Computed tomography, abdomen. axial view. W/L 400/40 HU
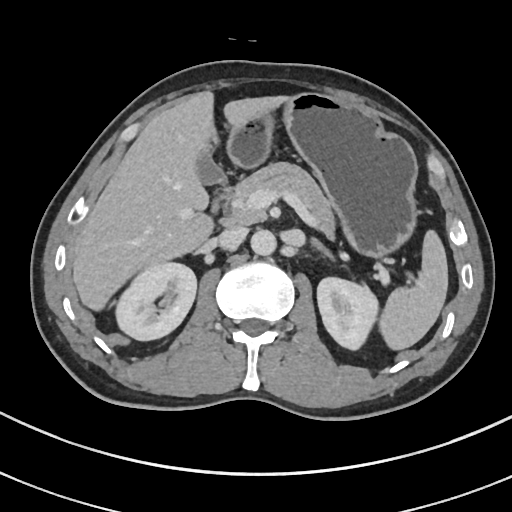

{"organs":{"spleen":[381,228,447,349],"right kidney":[114,261,196,340],"left kidney":[317,276,380,350],"gall bladder":[194,139,220,183],"liver":[73,92,282,308],"stomach":[225,92,418,253],"aorta":[251,229,276,256],"inferior vena cava":[217,227,247,251],"pancreas":[224,162,336,228],"left adrenal gland":[311,238,334,259],"duodenum":[210,176,228,224]}}